Computed tomography, abdomen; axial view; 512x512 px
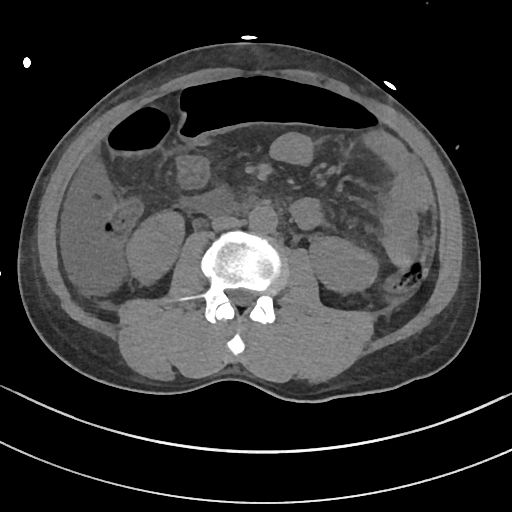 Box edges are left/top/right/bottom in pixels. 4 labeled organs on this slice — right kidney at left=124, top=210, right=185, bottom=286; left kidney at left=309, top=236, right=380, bottom=294; aorta at left=249, top=206, right=278, bottom=233; inferior vena cava at left=212, top=215, right=238, bottom=230.